CT abdomen; axial view; 512x512 px; SOMATOM Force scanner
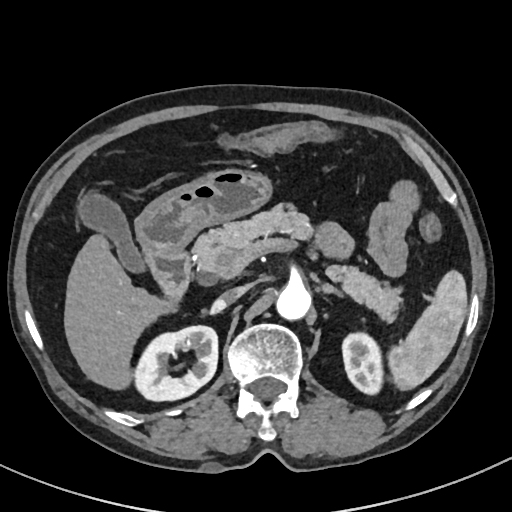 One row per box, in pixels: columns x1 and y1 give the top-left corner, x2 and y2 the bottom-right.
| organ | x1 | y1 | x2 | y2 |
|---|---|---|---|---|
| inferior vena cava | 213 | 285 | 248 | 310 |
| gall bladder | 75 | 193 | 144 | 271 |
| aorta | 276 | 283 | 312 | 319 |
| liver | 64 | 234 | 173 | 387 |
| duodenum | 147 | 250 | 189 | 301 |
| pancreas | 190 | 203 | 402 | 320 |
| stomach | 135 | 170 | 270 | 256 |
| spleen | 388 | 272 | 467 | 390 |
| right kidney | 133 | 326 | 217 | 401 |
| left adrenal gland | 324 | 283 | 342 | 295 |
| left kidney | 341 | 330 | 382 | 395 |